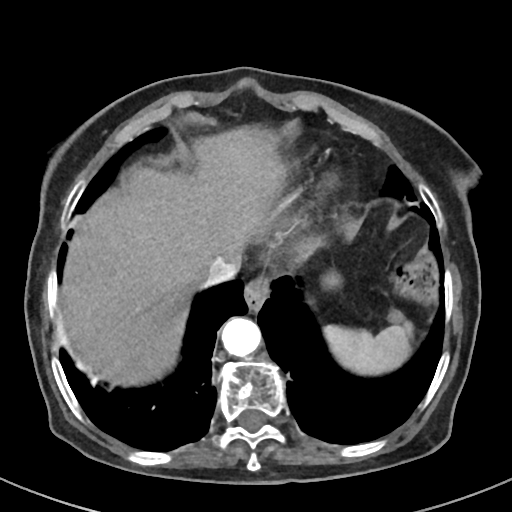

CT abdomen; Axial slice 177/279; soft-tissue window; 512x512 px
One row per box, in pixels: columns x1 and y1 give the top-left corner, x2 and y2 the bottom-right.
| organ | x1 | y1 | x2 | y2 |
|---|---|---|---|---|
| liver | 58 | 129 | 322 | 383 |
| stomach | 323 | 272 | 338 | 287 |
| inferior vena cava | 201 | 260 | 237 | 291 |
| esophagus | 244 | 275 | 269 | 310 |
| aorta | 221 | 317 | 261 | 356 |
| spleen | 322 | 319 | 411 | 376 |